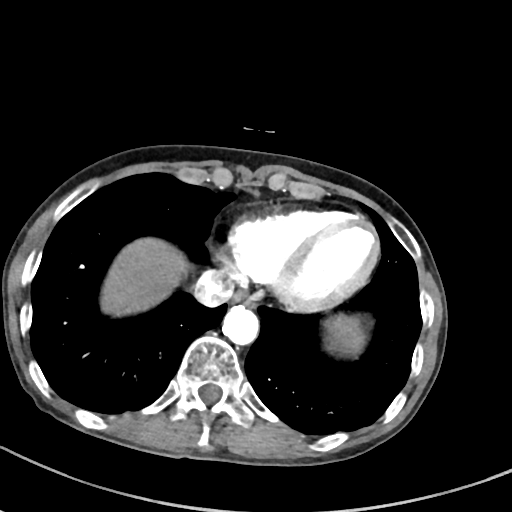

Abdominal CT. axial view
Boxes: x1 y1 x2 y2 (pixel coords, space-separated).
Organ bounding boxes:
- aorta: 222 303 258 343
- inferior vena cava: 191 273 234 307
- stomach: 326 313 366 353
- liver: 100 239 184 313
- esophagus: 232 290 256 304